Computed tomography, abdomen · axial view · abdomen soft-tissue window · 512x512 px
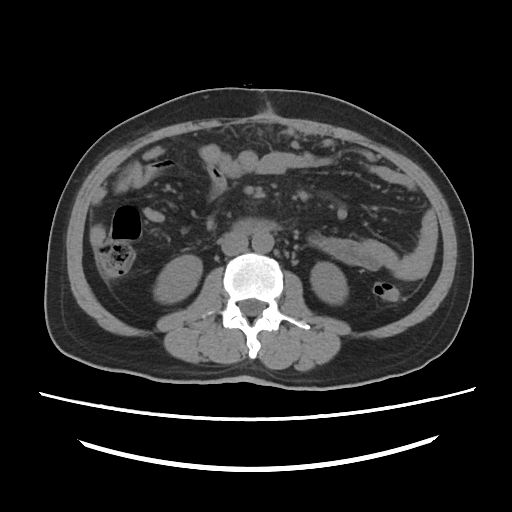

Bounding boxes as [x1, y1, x2, y2] in pixel coordinates.
right kidney: [154, 255, 202, 303]
left kidney: [311, 262, 347, 304]
aorta: [252, 231, 273, 253]
inferior vena cava: [221, 231, 247, 255]
duodenum: [234, 219, 272, 233]